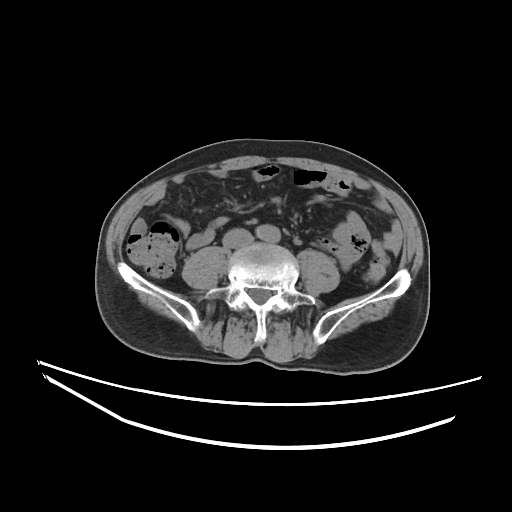

Abdominal CT · Axial slice 47/89
Coordinates as <box>x1,y1,x2,y2</box> in pixels.
aorta: <box>256,224,280,242</box>
inferior vena cava: <box>223,228,253,248</box>